CT of the abdomen extending into the chest, slice through the chest · axial plane, index 281 · acquired on SOMATOM Force
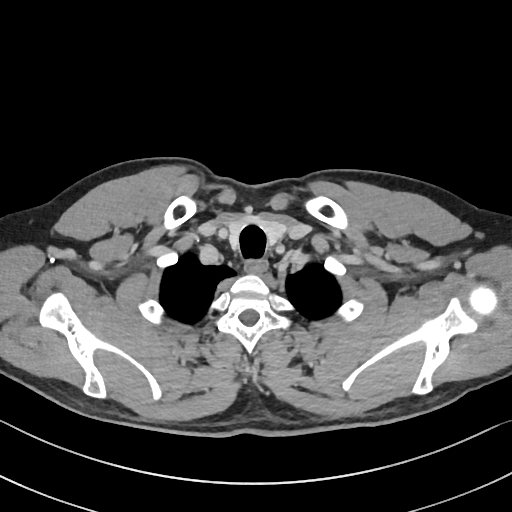
At this level of the chest this dataset labels only the esophagus and the aorta, and each is boxed only where it is labeled; the heart and lungs are never labeled. Boxes: x1 y1 x2 y2 (pixel coords, space-separated). Labeled organs on this slice: esophagus at 244 259 268 273.